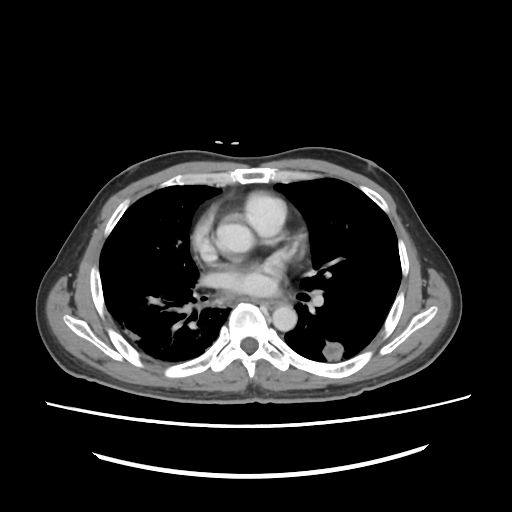

Abdominal CT; this slice is in the lower chest, just above the liver; axial view; soft-tissue window (W 400 / L 40); 512x512 px; scan has 15 labeled organs (a whole-scan count: organs this slice does not pass through have no box)
Of the structures in the chest, this dataset labels only the esophagus, the aorta and the inferior vena cava; the heart and lungs have no label.
{"organs":{"aorta":[[215,222,252,254],[272,307,296,331]]}}